Computed tomography, abdomen · axial view · 512x512 px
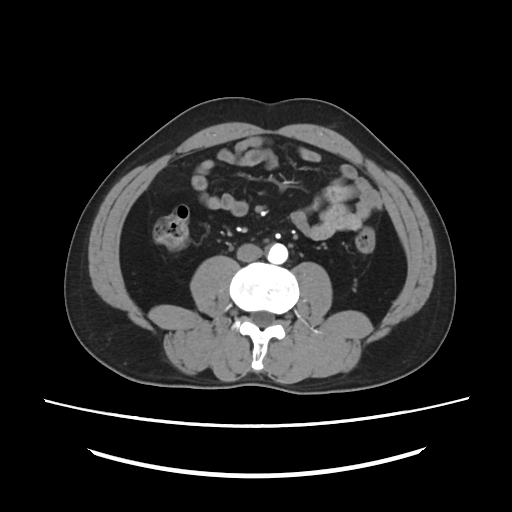

<organs><organ name="inferior vena cava" x1="237" y1="243" x2="262" y2="261"/><organ name="aorta" x1="266" y1="243" x2="288" y2="264"/></organs>